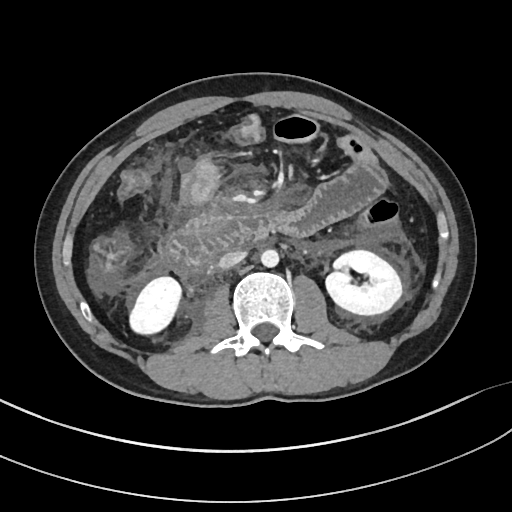

Computed tomography, abdomen · axial view · abdomen soft-tissue window
Boxes are (x1, y1, x2, y2) in pixels.
Organ bounding boxes:
- right kidney: (130, 275, 180, 334)
- left kidney: (326, 249, 402, 313)
- aorta: (260, 248, 278, 267)
- inferior vena cava: (218, 250, 246, 268)
- duodenum: (167, 217, 270, 276)